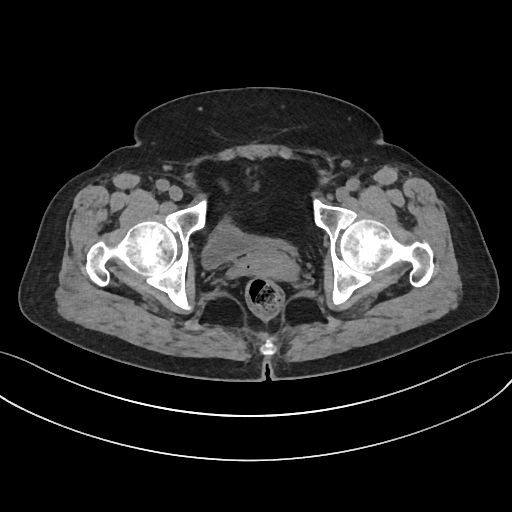
CT abdomen · axial view · soft-tissue window (W 400 / L 40)
<organs><organ name="prostate/uterus" x1="243" y1="249" x2="294" y2="278"/><organ name="bladder" x1="203" y1="221" x2="296" y2="268"/></organs>